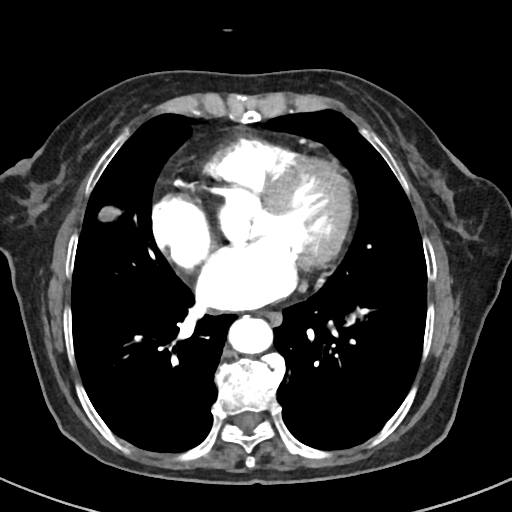 CT of the abdomen reaching into the lower chest, slice just above the liver and spleen · axial view · 512x512 px · acquired on SOMATOM Force
No part of the heart or lungs is labeled in this dataset, so neither has a box here.
{"organs":{"esophagus":[261,311,283,327],"aorta":[229,317,274,355]}}